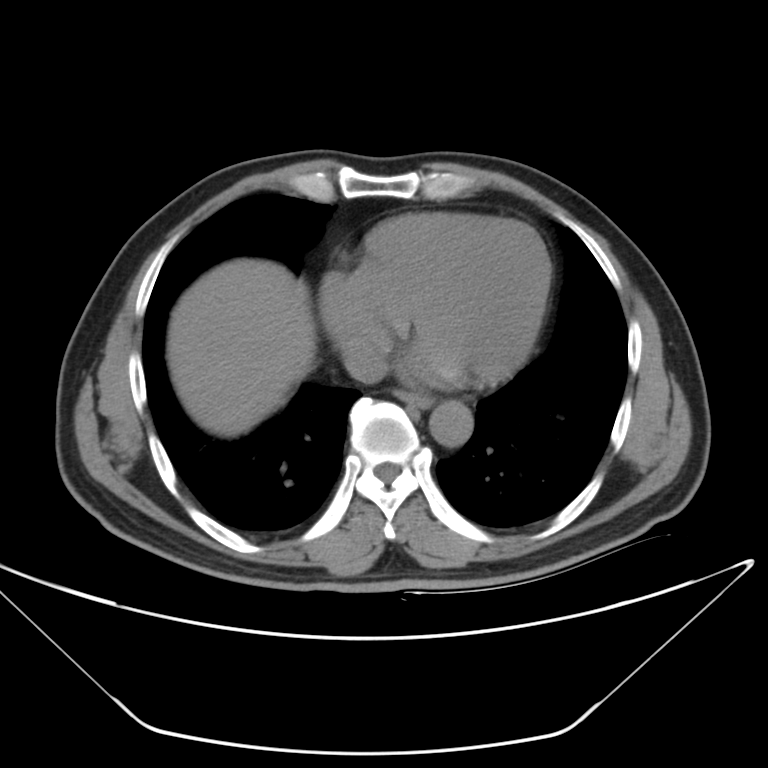

Computed tomography, abdomen — axial view — scan has 15 labeled organs (that count is for the whole scan; organs this slice misses have no box)
Boxes are (x1, y1, x2, y2) in pixels.
esophagus: (400, 392, 435, 407)
liver: (167, 260, 314, 431)
aorta: (429, 399, 473, 446)
inferior vena cava: (342, 339, 384, 382)